Abdominal CT; this slice is in the lower chest, just above the liver · axial view
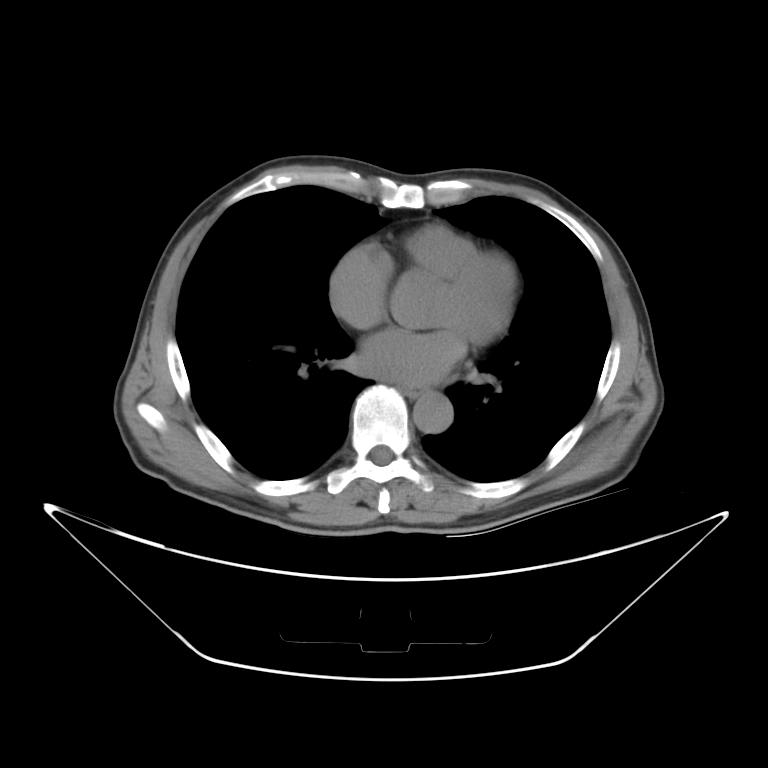

No part of the heart or lungs is labeled in this dataset, so neither has a box here.
Bounding boxes in pixels, one row per box: x1, y1 is the top-left corner and x2, y2 the bottom-right.
| organ | x1 | y1 | x2 | y2 |
|---|---|---|---|---|
| aorta | 413 | 392 | 452 | 431 |
| esophagus | 401 | 387 | 425 | 399 |